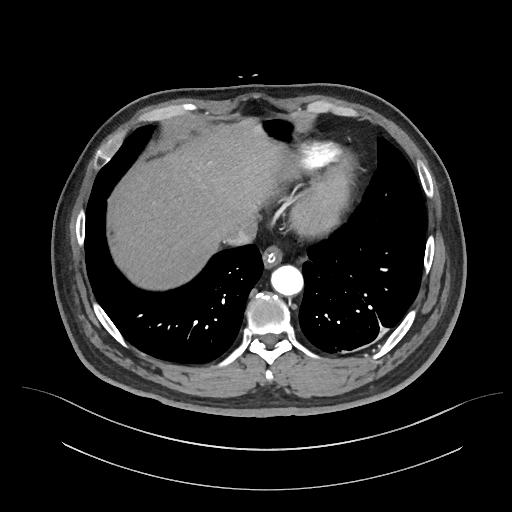

Abdominal CT · Axial slice 222/333
Boxes are (x1, y1, x2, y2) in pixels.
inferior vena cava: (223, 222, 257, 246)
stomach: (261, 119, 291, 138)
aorta: (271, 265, 303, 295)
esophagus: (262, 245, 282, 268)
liver: (107, 121, 284, 290)